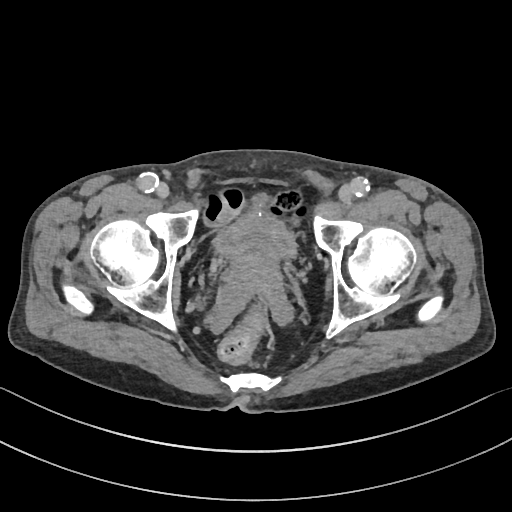 Computed tomography, abdomen; axial view; soft-tissue window
Boxes: x1:y1:x2:y2 in pixels.
bladder: 215:212:295:258
prostate/uterus: 222:252:281:287